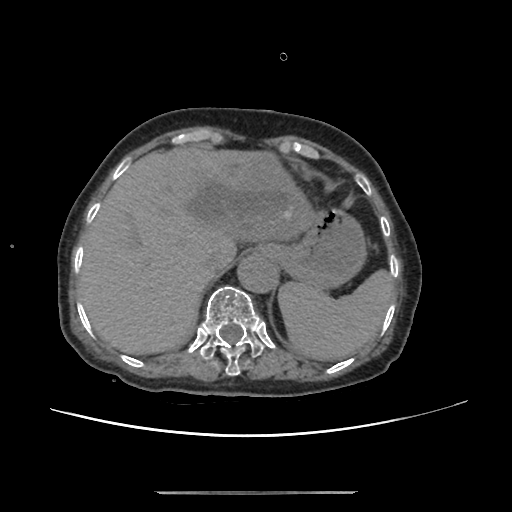 Computed tomography, abdomen — axial view — soft-tissue window — 512x512 px — SOMATOM Force scanner
Boxes: x1:y1:x2:y2 in pixels.
aorta: 236:254:277:292
inferior vena cava: 201:251:222:273
liver: 78:146:315:354
stomach: 264:207:366:287
spleen: 278:267:396:361